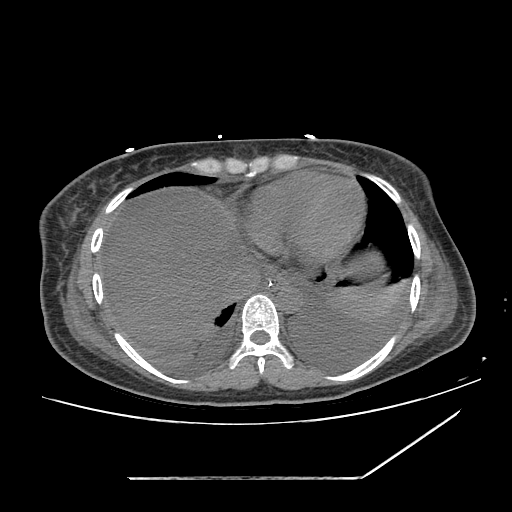
CT abdomen · axial view
Coordinates as <box>x1,y1,x2,y2</box> in pixels. Labeled organs on this slice: esophagus at <box>261,275,292,290</box>, liver at <box>106,194,242,346</box>, stomach at <box>277,284,296,307</box>, aorta at <box>276,284,302,313</box>, inferior vena cava at <box>225,260,261,297</box>.